CT, abdomen/pelvis · axial view · 512x512 px
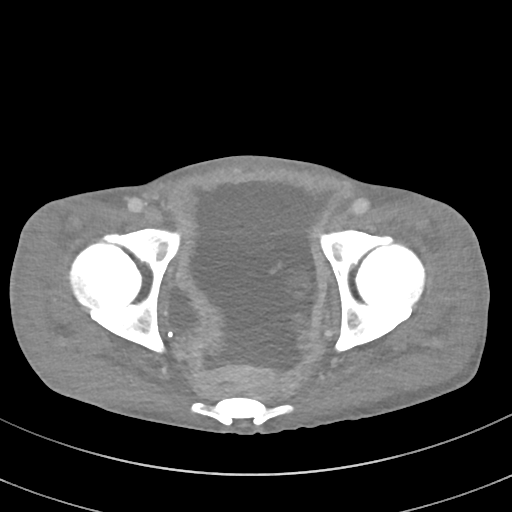

{"organs":{"bladder":[165,284,204,333]}}